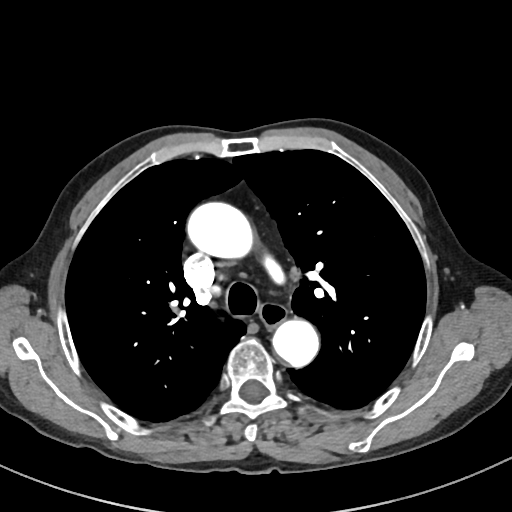 Chest-level slice from an abdominal CT that extends up into the chest — axial view
At this level of the chest this dataset labels only the esophagus and the aorta, and each is boxed only where it is labeled; the heart and lungs are never labeled.
{"organs":{"esophagus":[259,303,285,328],"aorta":[[187,202,252,258],[272,319,319,367]]}}